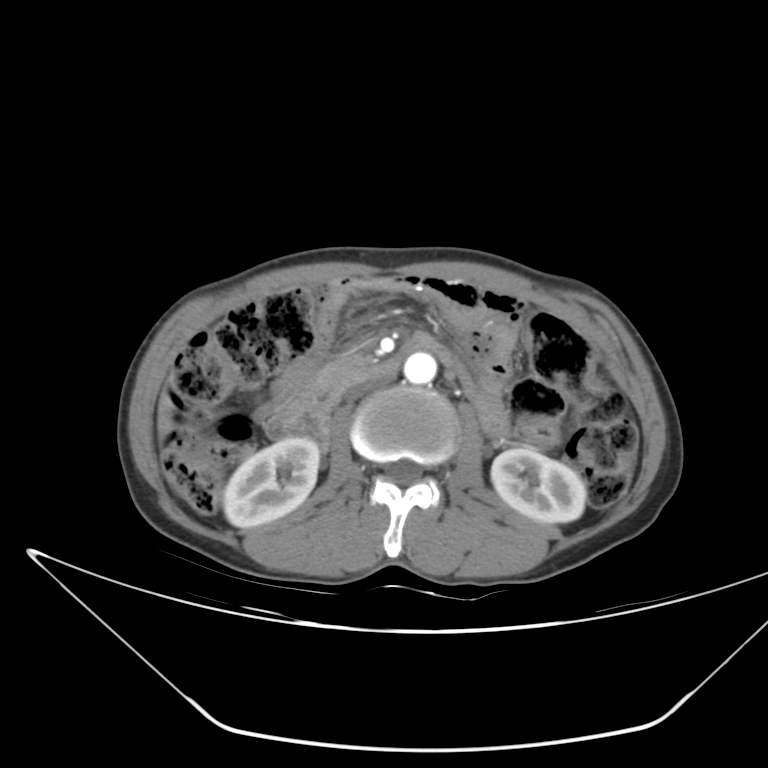

Computed tomography, abdomen — Axial slice 31/103 — 62-year-old male patient — Brilliance16 scanner
Organ boxes in pixel coordinates; each row gives the top-left (x1, y1) and bottom-right (x2, y2) corners.
| organ | x1 | y1 | x2 | y2 |
|---|---|---|---|---|
| aorta | 403 | 352 | 436 | 384 |
| inferior vena cava | 345 | 377 | 387 | 401 |
| right kidney | 223 | 438 | 319 | 527 |
| liver | 157 | 389 | 174 | 440 |
| left kidney | 491 | 446 | 586 | 522 |
| duodenum | 266 | 343 | 414 | 445 |